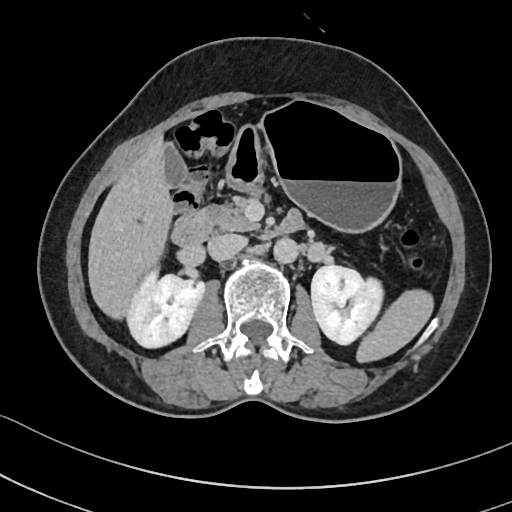
Computed tomography, abdomen — axial view — 512x512 px — scan has 15 labeled organs (counted over the whole 3D scan, not this slice; an organ is boxed only where this slice passes through it)
{"organs":{"spleen":[356,289,433,362],"right kidney":[127,271,204,347],"left kidney":[311,265,383,344],"gall bladder":[164,143,186,187],"liver":[88,137,174,319],"stomach":[228,99,401,232],"aorta":[273,237,298,263],"inferior vena cava":[207,234,247,260],"pancreas":[199,191,260,230],"duodenum":[171,211,302,246]}}